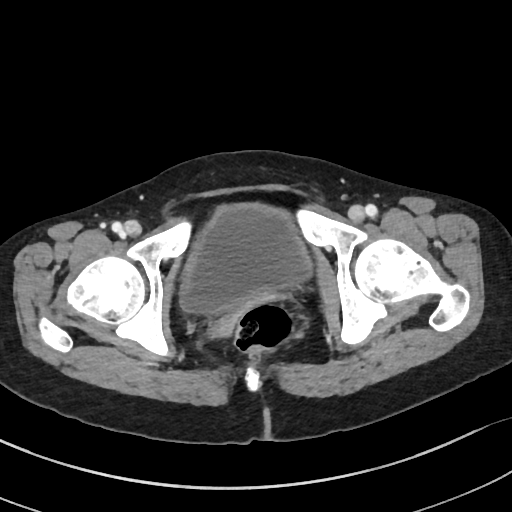
Computed tomography, abdomen — axial view — abdomen soft-tissue window
{"organs":{"bladder":[179,204,309,312]}}